Abdominal CT; axial plane, index 158; 512x512 px
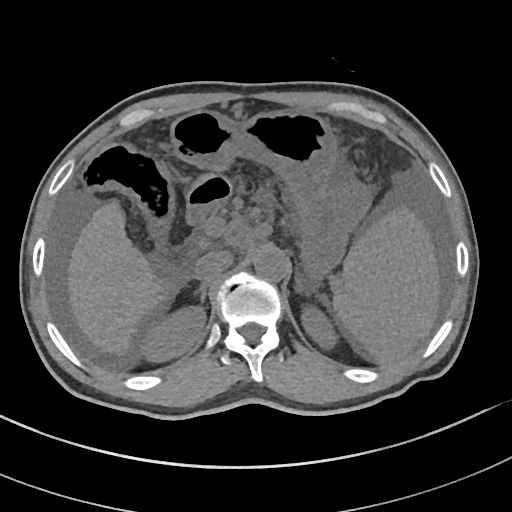
Boxes are (x1, y1, x2, y2) in pixels. 10 labeled organs on this slice — spleen at (331, 213, 438, 363); right kidney at (144, 308, 204, 361); left kidney at (301, 308, 336, 347); liver at (68, 199, 171, 356); stomach at (170, 110, 371, 285); aorta at (254, 248, 289, 282); inferior vena cava at (194, 250, 233, 283); right adrenal gland at (192, 283, 207, 308); left adrenal gland at (297, 285, 309, 299); duodenum at (187, 173, 231, 220).